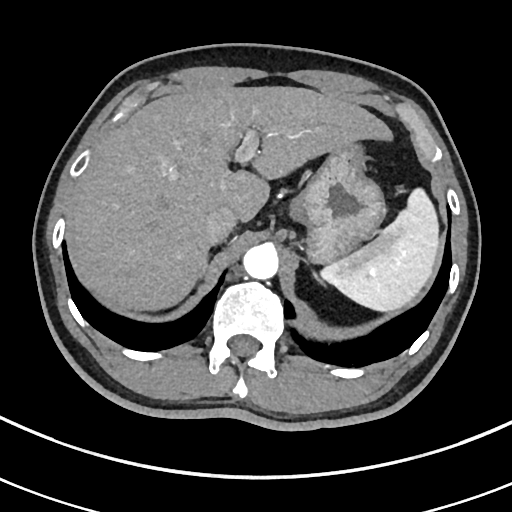 Abdominal CT. axial view
Coordinates as <box>x1,y1,x2,y2</box> in pixels.
Organ bounding boxes:
- spleen: <box>321,188,439,311</box>
- liver: <box>67,86,392,310</box>
- stomach: <box>290,143,385,262</box>
- aorta: <box>243,244,278,279</box>
- inferior vena cava: <box>204,206,236,244</box>
- left adrenal gland: <box>312,272,325,282</box>